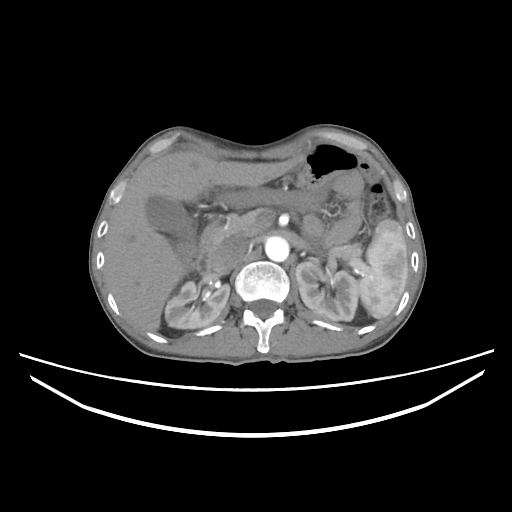

CT abdomen. axial plane, index 60. 50-year-old male patient
Box edges are left/top/right/bottom in pixels. 10 labeled organs on this slice — spleen at left=357, top=219, right=408, bottom=318; right kidney at left=164, top=281, right=229, bottom=328; left kidney at left=295, top=262, right=358, bottom=320; gall bladder at left=145, top=195, right=196, bottom=242; liver at left=103, top=151, right=304, bottom=329; aorta at left=265, top=236, right=289, bottom=261; inferior vena cava at left=213, top=236, right=246, bottom=272; pancreas at left=223, top=208, right=357, bottom=261; left adrenal gland at left=310, top=248, right=317, bottom=253; duodenum at left=196, top=215, right=223, bottom=274.